CT abdomen. axial view
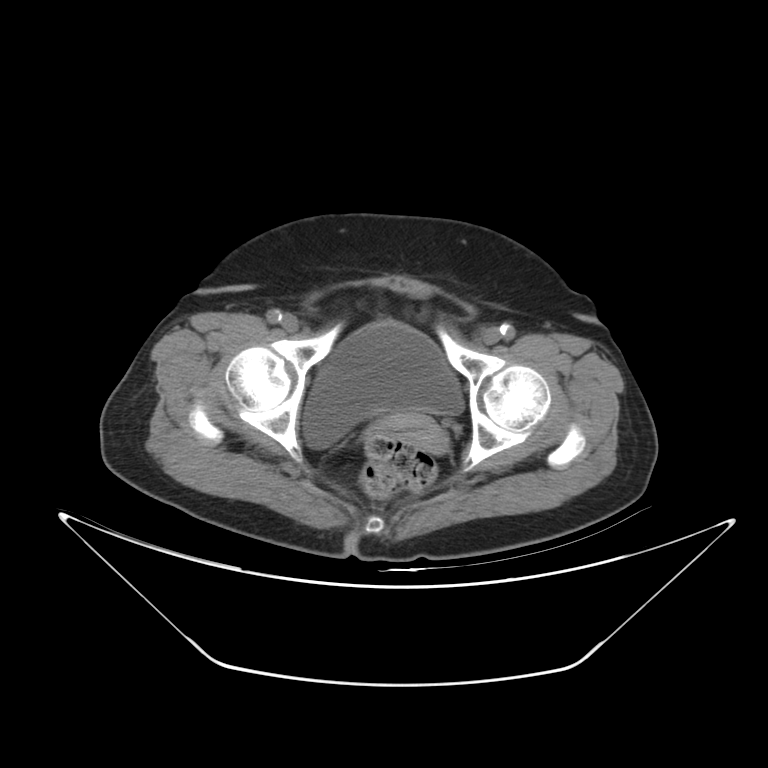 Each box given as x1,y1,x2,y2.
Organ bounding boxes:
- prostate/uterus: x1=388, y1=413, x2=446, y2=452
- bladder: x1=303, y1=321, x2=462, y2=448